CT, abdomen/pelvis · axial view · W/L 400/40 HU · 512x512 px
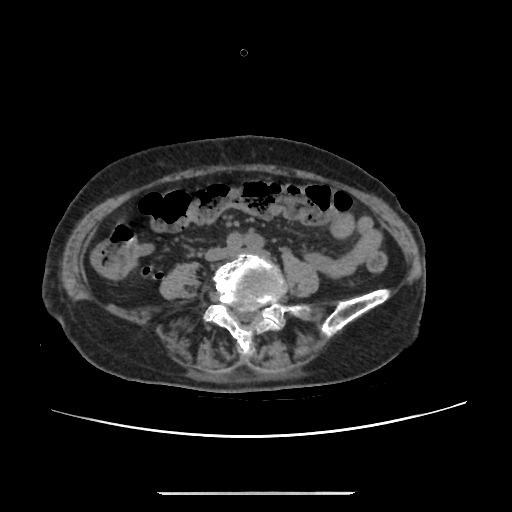
Bounding boxes as [x1, y1, x2, y2] in pixel coordinates. 1 labeled organ on this slice — inferior vena cava at [207, 249, 225, 258].